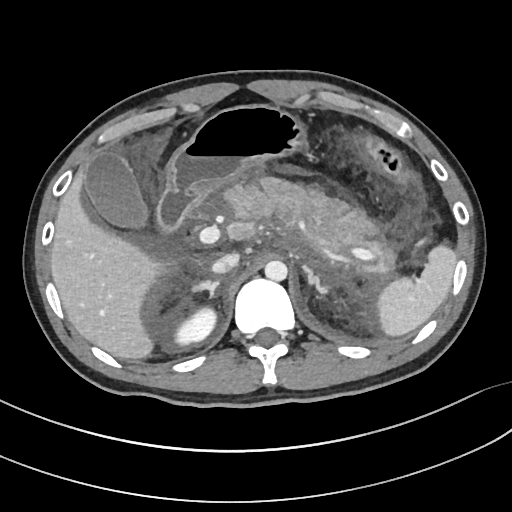

CT abdomen. axial view. W/L 400/40 HU. scan has 15 labeled organs (that count is for the whole scan; organs this slice misses have no box)
Bounding boxes as [x1, y1, x2, y2] in pixel coordinates.
Organ bounding boxes:
- spleen: [375, 243, 457, 337]
- right kidney: [173, 308, 214, 345]
- gall bladder: [86, 151, 150, 229]
- liver: [50, 166, 164, 360]
- stomach: [166, 104, 309, 197]
- aorta: [264, 260, 287, 281]
- inferior vena cava: [212, 253, 239, 273]
- pancreas: [225, 178, 393, 272]
- right adrenal gland: [192, 279, 219, 298]
- left adrenal gland: [303, 265, 329, 292]
- duodenum: [158, 191, 199, 228]